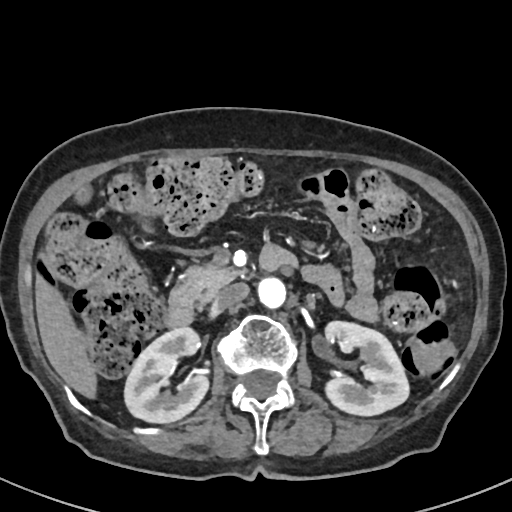
CT, abdomen/pelvis. axial view. abdomen soft-tissue window. 512x512 px. scan has 15 labeled organs (that count is for the whole scan; organs this slice misses have no box)
Each box given as x1,y1,x2,y2. The annotated organs in this slice are: duodenum at x1=165, y1=247, x2=296, y2=327, left kidney at x1=323, y1=320, x2=408, y2=414, pancreas at x1=171, y1=264, x2=242, y2=303, gall bladder at x1=78, y1=187, x2=90, y2=200, liver at x1=35, y1=276, x2=94, y2=395, right kidney at x1=125, y1=327, x2=207, y2=422, inferior vena cava at x1=214, y1=282, x2=249, y2=309, aorta at x1=256, y1=275, x2=285, y2=307.